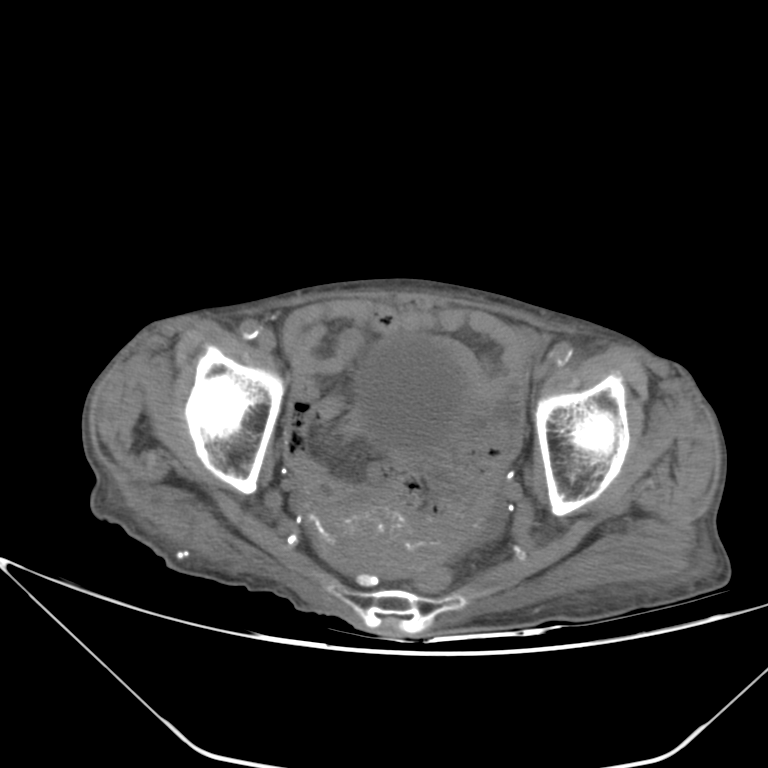 CT abdomen — axial view — W/L 400/40 HU — scan has 14 labeled organs (a whole-scan count: organs this slice does not pass through have no box)
<organs><organ name="bladder" x1="354" y1="335" x2="462" y2="453"/><organ name="prostate/uterus" x1="308" y1="502" x2="438" y2="572"/></organs>